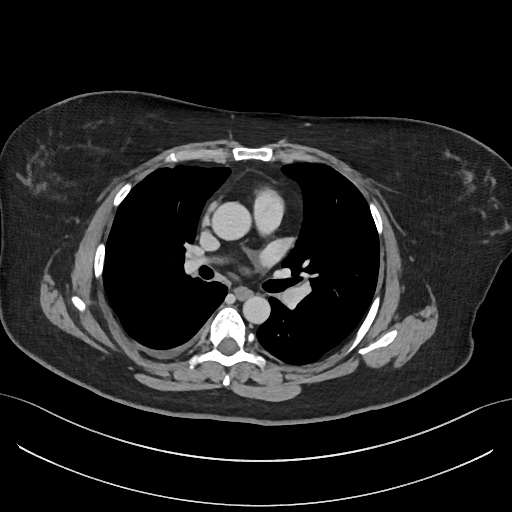

Abdominal CT reaching into the chest; this slice is in the chest · axial plane, index 240 · acquired on SOMATOM Force
At this level of the chest no structure but the esophagus and the aorta has a label in this dataset, and those two are boxed only where they are labeled.
Boxes are (x1, y1, x2, y2) in pixels.
esophagus: (235, 287, 252, 298)
aorta: (211, 202, 250, 240)
aorta: (243, 296, 270, 324)